Abdominal MRI · coronal view · percentile-normalized
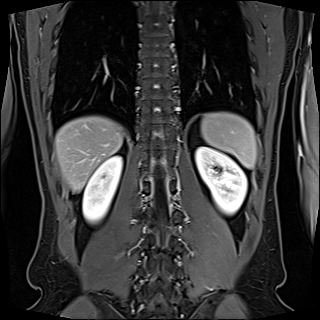 Bounding boxes as [x1, y1, x2, y2] in pixel coordinates. Labeled organs on this slice: spleen at [201, 112, 256, 168], right kidney at [82, 155, 122, 223], left kidney at [195, 146, 247, 214], liver at [55, 116, 123, 192].